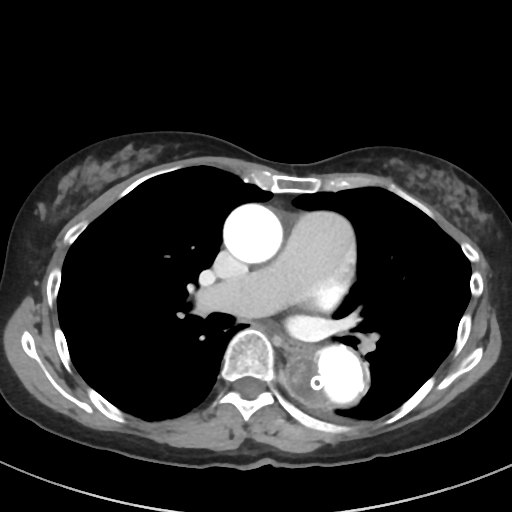 Abdominal CT reaching into the chest; this slice is in the chest. axial plane, index 90. W/L 400/40 HU. 512x512 px. scan has 15 labeled organs (that count is for the whole scan; organs this slice misses have no box)
At this level of the chest this dataset labels only the esophagus and the aorta, and each is boxed only where it is labeled; the heart and lungs are never labeled.
<organs><organ name="esophagus" x1="278" y1="336" x2="303" y2="351"/><organ name="aorta" x1="290" y1="346" x2="369" y2="407"/><organ name="aorta" x1="223" y1="203" x2="282" y2="263"/></organs>